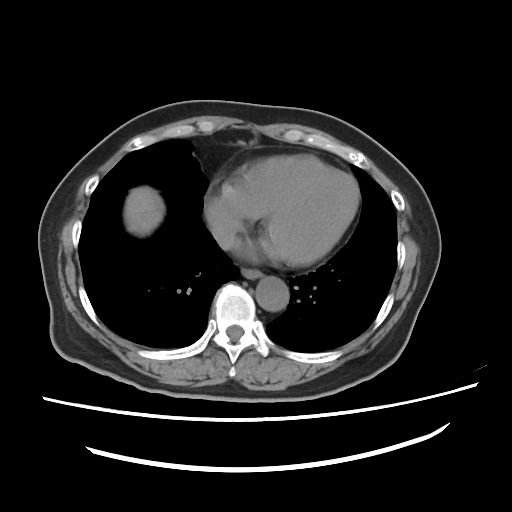
Computed tomography, abdomen. axial view. soft-tissue window. 61-year-old female patient. 14 organs annotated in this scan (a whole-scan count: organs this slice does not pass through have no box)
Bounding boxes in pixels, one row per box: x1, y1 is the top-left corner and x2, y2 the bottom-right.
| organ | x1 | y1 | x2 | y2 |
|---|---|---|---|---|
| esophagus | 241 | 268 | 262 | 278 |
| liver | 124 | 186 | 164 | 235 |
| aorta | 255 | 276 | 289 | 311 |
| inferior vena cava | 212 | 221 | 236 | 249 |